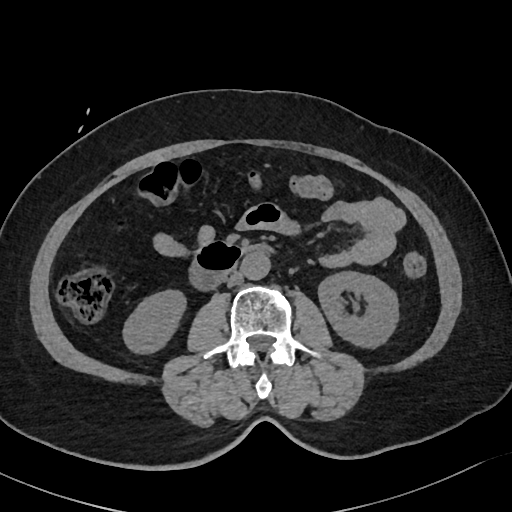
CT abdomen. axial plane, index 111
<organs><organ name="inferior vena cava" x1="227" y1="271" x2="243" y2="286"/><organ name="right kidney" x1="125" y1="291" x2="184" y2="352"/><organ name="duodenum" x1="188" y1="242" x2="263" y2="290"/><organ name="aorta" x1="242" y1="251" x2="270" y2="279"/><organ name="left kidney" x1="318" y1="271" x2="397" y2="346"/></organs>